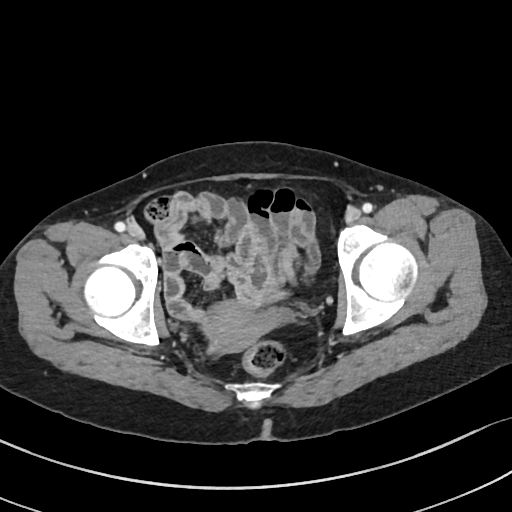

CT, abdomen/pelvis · axial plane, index 29 · scan has 15 labeled organs (counted over the whole 3D scan, not this slice; an organ is boxed only where this slice passes through it)
Bounding boxes as [x1, y1, x2, y2] in pixel coordinates.
Organ bounding boxes:
- prostate/uterus: [206, 301, 272, 352]